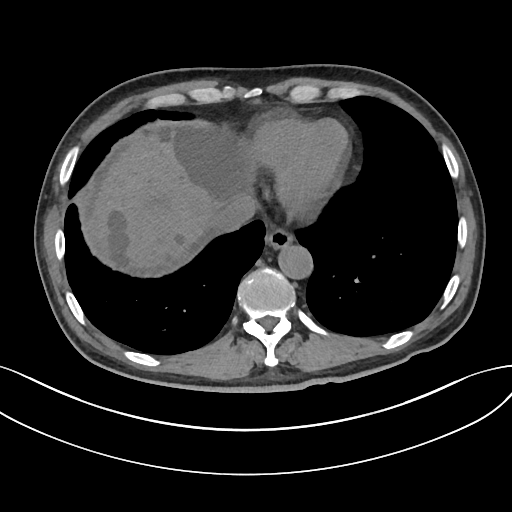
Abdominal CT · axial plane, index 195 · 512x512 px
{"organs":{"esophagus":[265,230,293,250],"liver":[89,124,258,270],"aorta":[279,246,314,280],"inferior vena cava":[213,194,256,231]}}